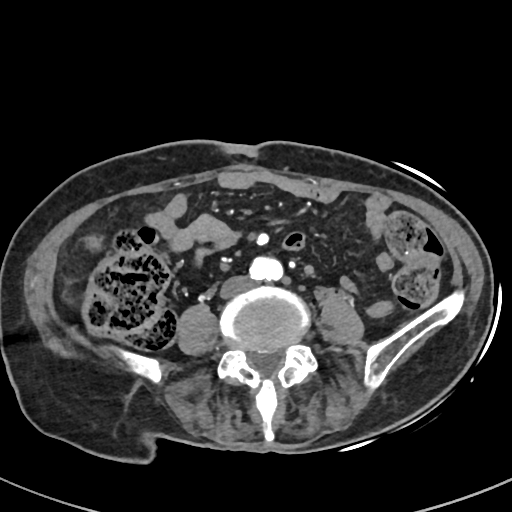
Abdominal CT · axial view · soft-tissue window · 512x512 px
Each box given as x1,y1,x2,y2.
Organ bounding boxes:
- inferior vena cava: x1=222, y1=278, x2=249, y2=294
- aorta: x1=248, y1=258, x2=284, y2=281